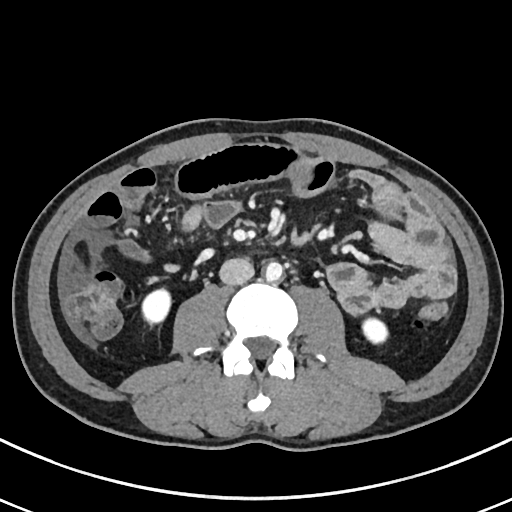 Computed tomography, abdomen; axial view
{"organs":{"left kidney":[362,318,387,343],"right kidney":[142,289,170,324],"inferior vena cava":[219,258,254,285],"aorta":[265,262,283,281]}}